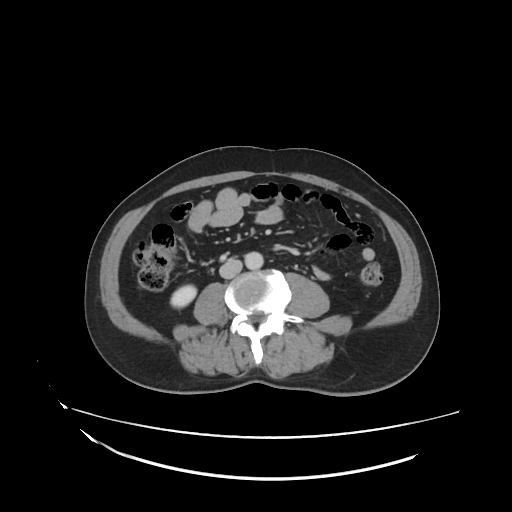

CT, abdomen/pelvis · axial view · 66-year-old male patient
Boxes: x1:y1:x2:y2 in pixels.
inferior vena cava: 219:259:241:278
right kidney: 171:284:195:307
aorta: 244:251:264:269